CT, abdomen/pelvis — axial view — abdomen soft-tissue window
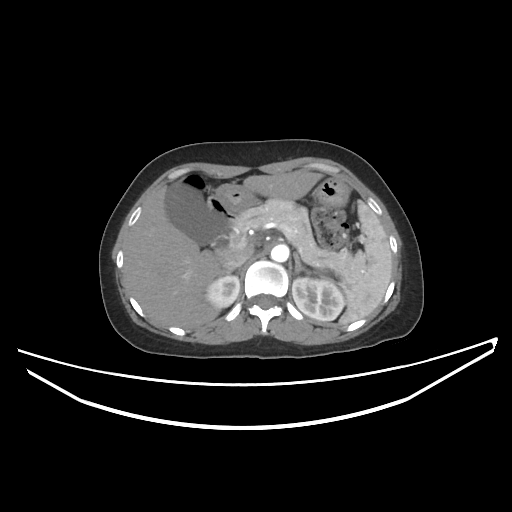 <organs><organ name="spleen" x1="339" y1="200" x2="392" y2="324"/><organ name="right kidney" x1="206" y1="275" x2="239" y2="308"/><organ name="left kidney" x1="292" y1="277" x2="344" y2="320"/><organ name="gall bladder" x1="165" y1="183" x2="226" y2="246"/><organ name="liver" x1="123" y1="170" x2="322" y2="329"/><organ name="stomach" x1="213" y1="178" x2="349" y2="215"/><organ name="aorta" x1="271" y1="244" x2="288" y2="262"/><organ name="inferior vena cava" x1="222" y1="249" x2="252" y2="270"/><organ name="pancreas" x1="232" y1="199" x2="366" y2="281"/><organ name="right adrenal gland" x1="217" y1="271" x2="231" y2="278"/><organ name="left adrenal gland" x1="293" y1="253" x2="311" y2="275"/><organ name="duodenum" x1="206" y1="196" x2="236" y2="252"/></organs>